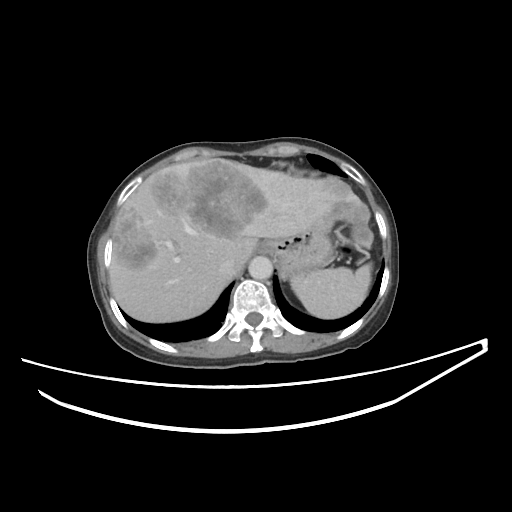
CT, abdomen/pelvis · axial view · 62-year-old female patient · scan has 15 labeled organs (that count is for the whole scan; organs this slice misses have no box)
One row per box, in pixels: columns x1 and y1 give the top-left corner, x2 and y2 the bottom-right.
| organ | x1 | y1 | x2 | y2 |
|---|---|---|---|---|
| spleen | 291 | 264 | 371 | 318 |
| esophagus | 258 | 242 | 271 | 253 |
| liver | 109 | 158 | 374 | 322 |
| stomach | 270 | 228 | 332 | 277 |
| aorta | 248 | 256 | 272 | 279 |
| inferior vena cava | 218 | 258 | 235 | 274 |